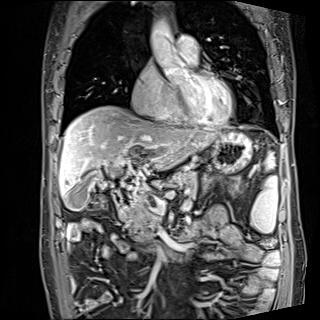

Abdominal MRI — coronal view — 320x320 px
<organs><organ name="liver" x1="59" y1="106" x2="217" y2="195"/><organ name="gall bladder" x1="66" y1="183" x2="88" y2="211"/><organ name="duodenum" x1="112" y1="188" x2="190" y2="261"/><organ name="aorta" x1="149" y1="19" x2="174" y2="51"/><organ name="pancreas" x1="119" y1="170" x2="197" y2="240"/><organ name="stomach" x1="211" y1="132" x2="252" y2="172"/><organ name="spleen" x1="251" y1="153" x2="277" y2="233"/></organs>